Abdominal CT — Axial slice 76/135 — abdomen soft-tissue window — 512x512 px
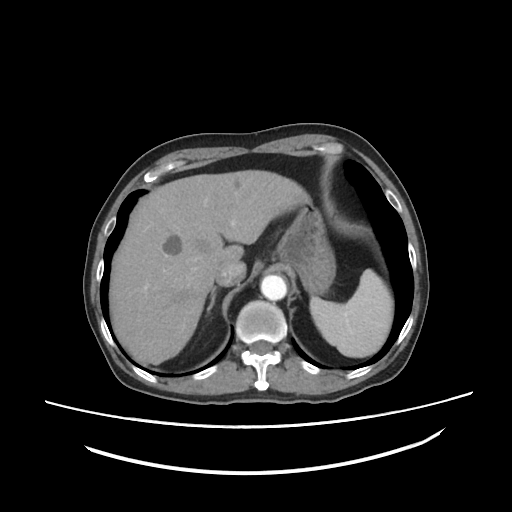

Boxes are (x1, y1, x2, y2) in pixels.
spleen: (310, 269, 393, 357)
aorta: (260, 275, 286, 300)
right adrenal gland: (207, 287, 217, 313)
stomach: (276, 202, 335, 293)
inferior vena cava: (215, 262, 245, 286)
liver: (109, 170, 310, 364)